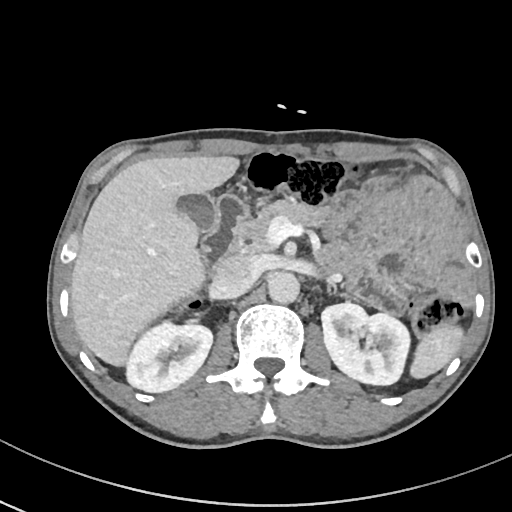
Computed tomography, abdomen. axial view. soft-tissue window (W 400 / L 40). 512x512 px
Each box given as x1,y1,x2,y2.
Organ bounding boxes:
- duodenum: x1=200, y1=193, x2=249, y2=269
- pancreas: x1=234, y1=200, x2=317, y2=253
- inferior vena cava: x1=214, y1=254, x2=257, y2=296
- spleen: x1=410, y1=325, x2=463, y2=377
- liver: x1=71, y1=156, x2=237, y2=364
- left adrenal gland: x1=326, y1=282, x2=333, y2=295
- left kidney: x1=322, y1=302, x2=411, y2=384
- right kidney: x1=124, y1=320, x2=212, y2=391
- aorta: x1=268, y1=272, x2=300, y2=303
- gall bladder: x1=177, y1=192, x2=217, y2=232